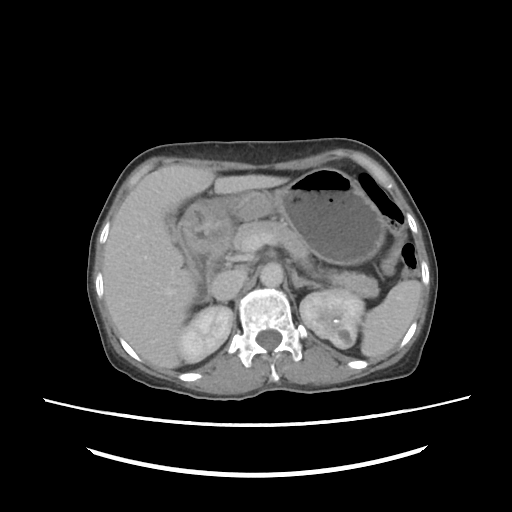
Abdominal CT — axial view — 512x512 px — 60-year-old female patient
Boxes: x1:y1:x2:y2 in pixels. 11 labeled organs on this slice — spleen at 360:278:421:356; right kidney at 180:305:233:362; left kidney at 299:290:365:348; gall bladder at 166:211:188:258; liver at 103:163:286:370; stomach at 181:167:387:266; aorta at 258:261:282:285; inferior vena cava at 211:269:244:300; pancreas at 233:221:378:299; left adrenal gland at 291:269:315:287; duodenum at 186:251:216:305.